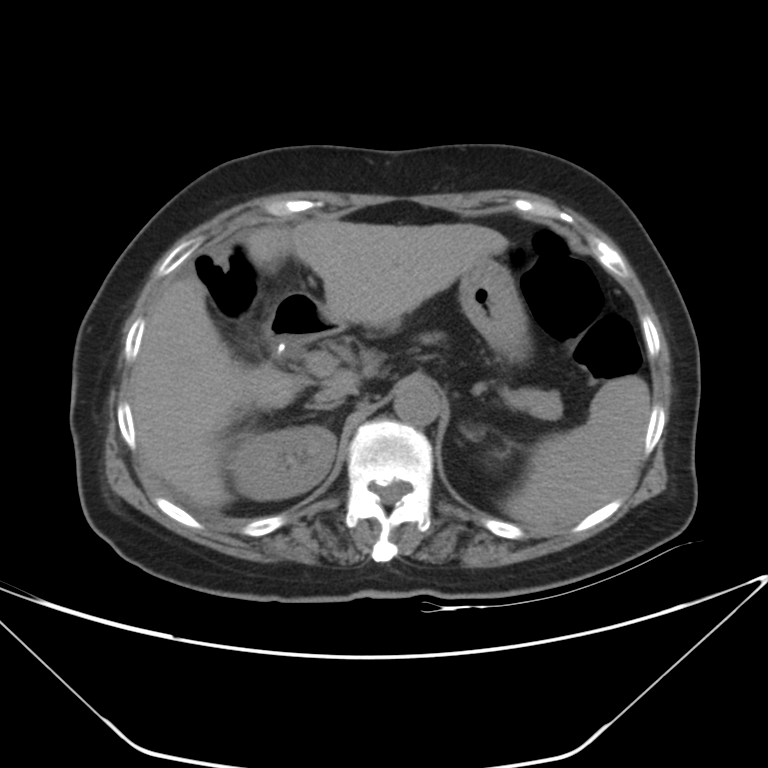 Computed tomography, abdomen · axial view · 66-year-old female patient
{"organs":{"liver":[131,219,508,508],"aorta":[394,381,440,425],"right kidney":[229,425,336,500],"stomach":[459,258,525,356],"right adrenal gland":[306,402,341,411],"left adrenal gland":[468,433,471,435],"spleen":[508,375,650,527],"inferior vena cava":[315,383,356,402],"duodenum":[264,293,345,354],"pancreas":[511,388,562,419]}}